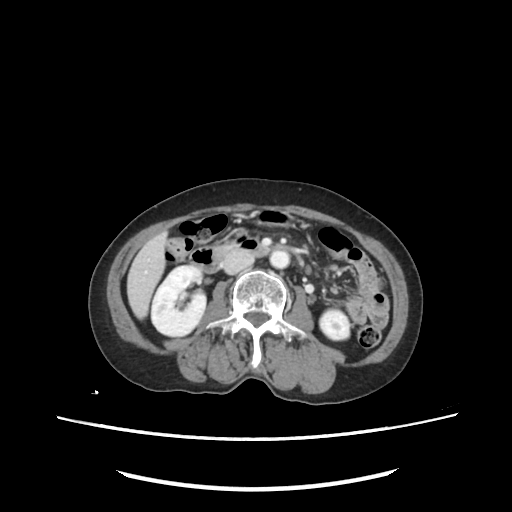

Computed tomography, abdomen · Axial slice 54/124 · 73-year-old female patient · 15 organs annotated in this scan (that count is for the whole scan; organs this slice misses have no box)
Boxes are (x1, y1, x2, y2) in pixels. 7 labeled organs on this slice — right kidney at (151, 266, 206, 337); left kidney at (320, 309, 350, 339); liver at (126, 230, 167, 320); stomach at (257, 209, 299, 226); aorta at (270, 250, 288, 268); inferior vena cava at (220, 251, 254, 274); duodenum at (188, 233, 270, 272).